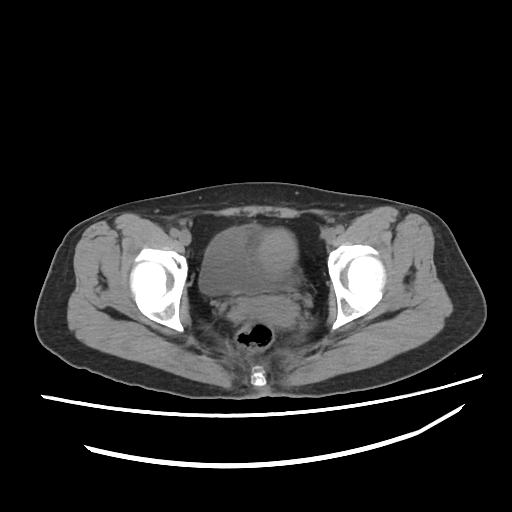

Abdominal CT — axial view — Aquilion ONE scanner
{"organs":{"bladder":[197,225,304,297],"prostate/uterus":[227,228,296,327]}}